CT, abdomen/pelvis · axial plane, index 34 · 512x512 px
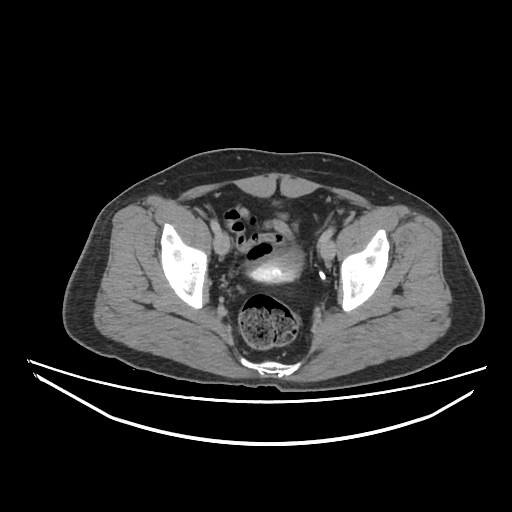 Bounding boxes in pixels, one row per box: x1, y1 is the top-left corner and x2, y2 the bottom-right.
| organ | x1 | y1 | x2 | y2 |
|---|---|---|---|---|
| bladder | 249 | 247 | 302 | 283 |